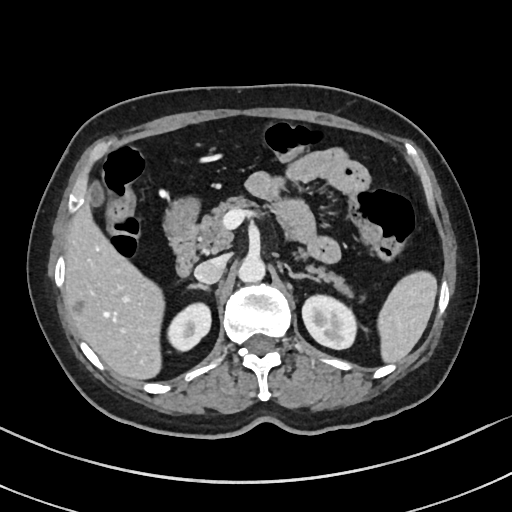

Abdominal CT — axial view — abdomen soft-tissue window — scan has 14 labeled organs (a whole-scan count: organs this slice does not pass through have no box)
One row per box, in pixels: columns x1 and y1 give the top-left corner, x2 and y2 the bottom-right.
| organ | x1 | y1 | x2 | y2 |
|---|---|---|---|---|
| left adrenal gland | 289 | 270 | 320 | 282 |
| duodenum | 168 | 224 | 196 | 276 |
| right adrenal gland | 189 | 283 | 209 | 290 |
| stomach | 164 | 198 | 198 | 237 |
| liver | 65 | 201 | 164 | 379 |
| spleen | 377 | 271 | 437 | 362 |
| right kidney | 167 | 302 | 211 | 351 |
| inferior vena cava | 194 | 255 | 227 | 283 |
| aorta | 237 | 256 | 265 | 282 |
| pancreas | 197 | 196 | 352 | 296 |
| left kidney | 302 | 295 | 356 | 348 |
| gall bladder | 88 | 182 | 105 | 205 |